Computed tomography, abdomen — axial view — soft-tissue window
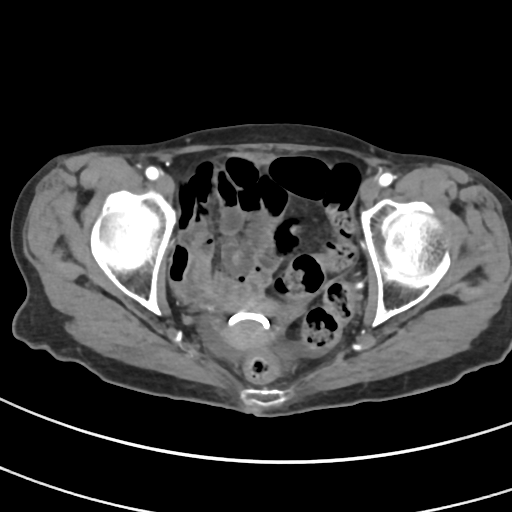 Boxes are (x1, y1, x2, y2) in pixels.
prostate/uterus: (208, 295, 290, 351)